Computed tomography, abdomen · axial view · W/L 400/40 HU · SOMATOM Force scanner
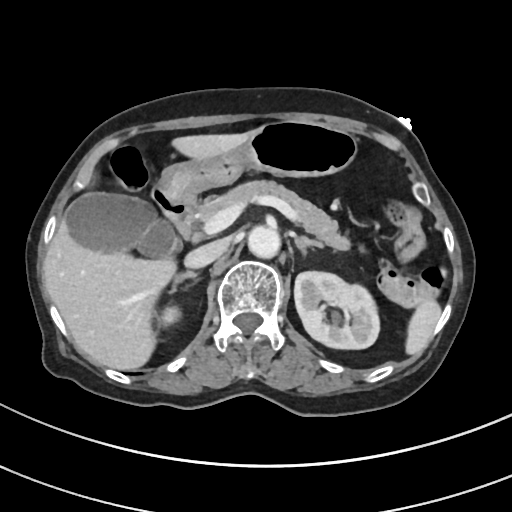

Bounding boxes as [x1, y1, x2, y2] in pixel coordinates.
Organ bounding boxes:
- right adrenal gland: [171, 271, 198, 291]
- inferior vena cava: [185, 240, 226, 268]
- pancreas: [195, 180, 350, 250]
- right kidney: [159, 305, 180, 326]
- aorta: [248, 225, 280, 258]
- liver: [43, 130, 253, 370]
- stomach: [155, 120, 357, 199]
- gall bladder: [66, 192, 181, 256]
- left adrenal gland: [295, 236, 322, 252]
- duodenum: [153, 189, 194, 237]
- spleen: [405, 300, 440, 354]
- left kidney: [294, 271, 379, 349]